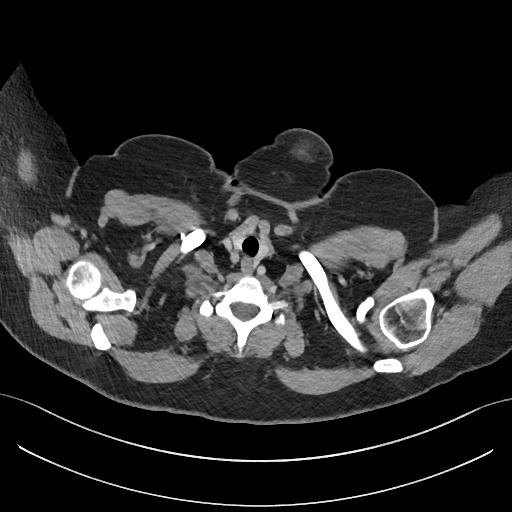 Abdominal CT reaching into the chest; this slice is in the chest. axial view. soft-tissue window, W/L 400/40. 15 organs annotated in this scan (a whole-scan count: organs this slice does not pass through have no box)
On a slice this high in the chest, this dataset labels only the esophagus and the aorta, and each is boxed only where it is labeled; the heart, lungs and other chest structures are not labeled.
{"organs":{"esophagus":[242,259,252,274]}}